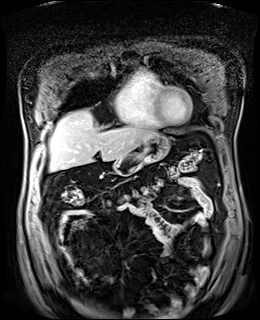
Abdominal MRI. coronal acquisition
<organs><organ name="liver" x1="49" y1="111" x2="158" y2="171"/><organ name="stomach" x1="113" y1="135" x2="170" y2="175"/></organs>